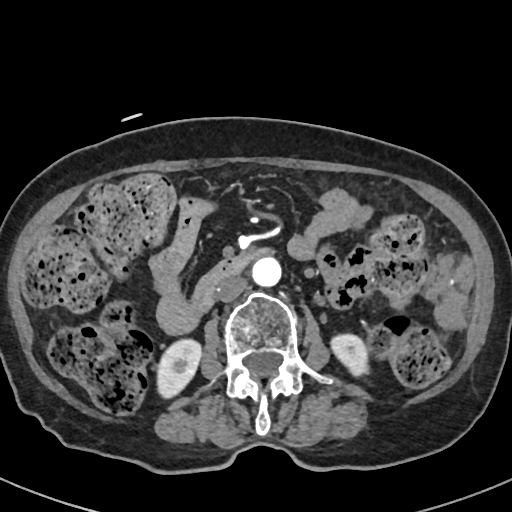

CT, abdomen/pelvis — axial plane, index 118 — abdomen soft-tissue window — acquired on SOMATOM Force
One row per box, in pixels: columns x1 and y1 give the top-left corner, x2 and y2 the bottom-right.
| organ | x1 | y1 | x2 | y2 |
|---|---|---|---|---|
| right kidney | 157 | 339 | 201 | 398 |
| left kidney | 331 | 334 | 368 | 376 |
| aorta | 252 | 256 | 281 | 286 |
| inferior vena cava | 216 | 276 | 248 | 302 |
| duodenum | 190 | 249 | 270 | 313 |